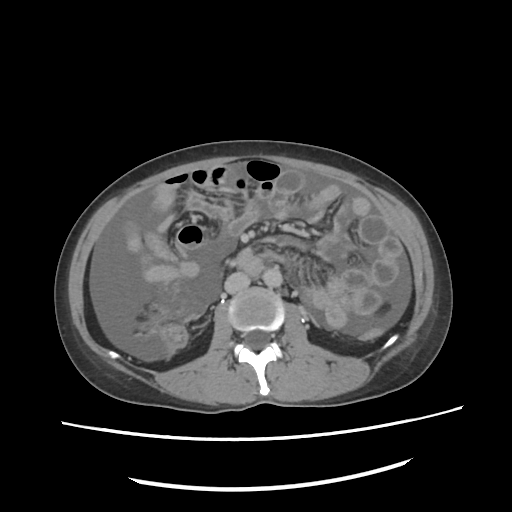 CT, abdomen/pelvis · axial view · W/L 400/40 HU · 512x512 px
Boxes: x1:y1:x2:y2 in pixels. The annotated organs in this slice are: aorta at 262:267:282:287, inferior vena cava at 224:273:250:293.